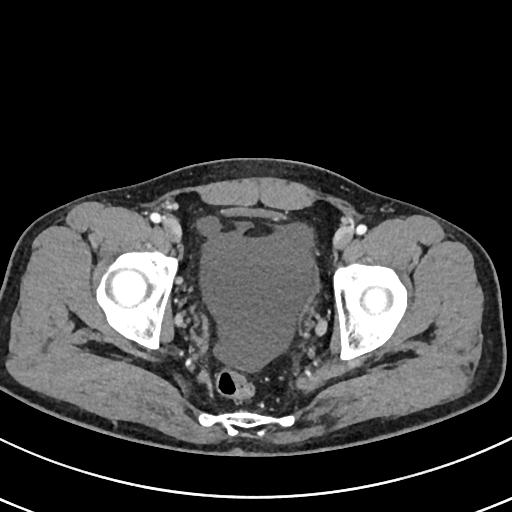
CT, abdomen/pelvis — Axial slice 34/218
<organs><organ name="bladder" x1="223" y1="206" x2="282" y2="218"/></organs>